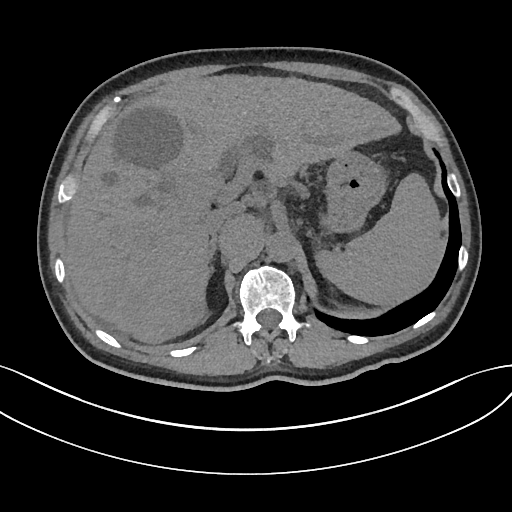

Abdominal CT. axial view. W/L 400/40 HU. 15 organs annotated in this scan (a whole-scan count: organs this slice does not pass through have no box)
<organs><organ name="spleen" x1="314" y1="174" x2="443" y2="304"/><organ name="liver" x1="65" y1="75" x2="402" y2="344"/><organ name="stomach" x1="324" y1="153" x2="385" y2="231"/><organ name="aorta" x1="266" y1="233" x2="295" y2="263"/><organ name="inferior vena cava" x1="205" y1="206" x2="233" y2="236"/><organ name="right adrenal gland" x1="210" y1="238" x2="217" y2="261"/></organs>